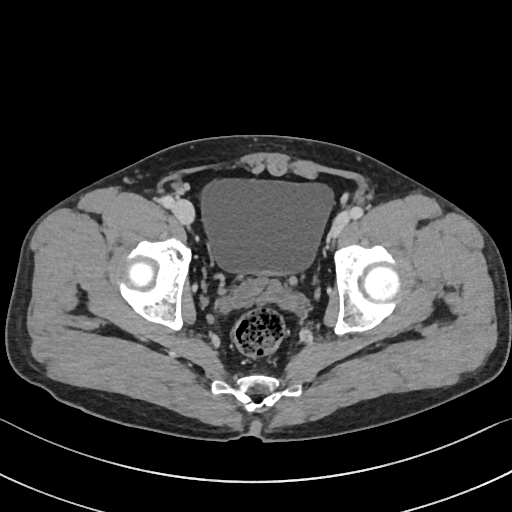
Computed tomography, abdomen; Axial slice 31/291; abdomen soft-tissue window; scan has 15 labeled organs (a whole-scan count: organs this slice does not pass through have no box)
Boxes: x1:y1:x2:y2 in pixels. 1 labeled organ on this slice — bladder at 200:178:334:274.